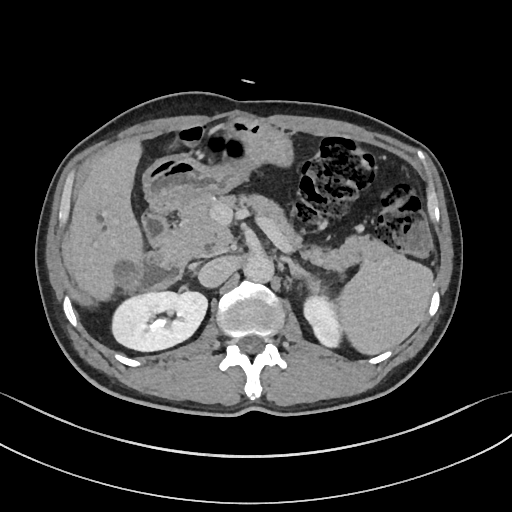

Computed tomography, abdomen · Axial slice 164/230 · 512x512 px
Box edges are left/top/right/bottom in pixels.
spleen: left=310, top=255, right=433, bottom=354
right kidney: left=112, top=291, right=207, bottom=351
left kidney: left=303, top=295, right=342, bottom=347
liver: left=70, top=143, right=142, bottom=300
stomach: left=145, top=114, right=293, bottom=215
aorta: left=243, top=253, right=273, bottom=282
inferior vena cava: left=198, top=256, right=236, bottom=287
pancreas: left=162, top=194, right=393, bottom=271
left adrenal gland: left=278, top=255, right=313, bottom=283
duodenum: left=124, top=210, right=184, bottom=294